Lower-chest slice from an abdominal CT, just above the liver and spleen; Axial slice 78/121; 512x512 px; SOMATOM Force scanner; 15 organs annotated in this scan (counted over the whole 3D scan, not this slice; an organ is boxed only where this slice passes through it)
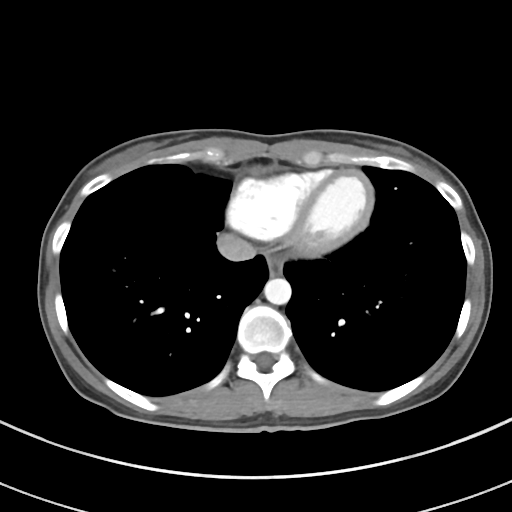
Of the structures in the chest, this dataset labels only the esophagus, the aorta and the inferior vena cava; the heart and lungs have no label.
Bounding boxes as [x1, y1, x2, y2] in pixel coordinates.
Organ bounding boxes:
- esophagus: [266, 253, 282, 276]
- aorta: [264, 278, 291, 304]
- inferior vena cava: [217, 233, 256, 261]